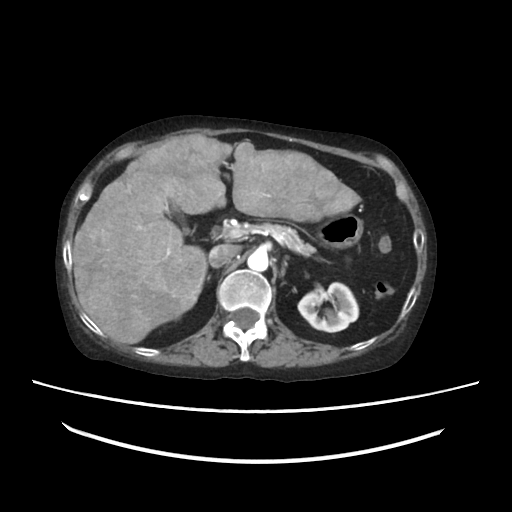 CT abdomen · Axial slice 63/89 · W/L 400/40 HU · 512x512 px · scan has 15 labeled organs (that count is for the whole scan; organs this slice misses have no box)
Boxes are (x1, y1, x2, y2) in pixels. The annotated organs in this slice are: liver at (72, 135, 362, 343), left kidney at (299, 283, 357, 331), aorta at (247, 250, 267, 270), pancreas at (218, 222, 323, 260), gall bladder at (168, 202, 186, 231), stomach at (317, 215, 362, 245), inferior vena cava at (209, 244, 234, 268), right adrenal gland at (207, 275, 210, 279).